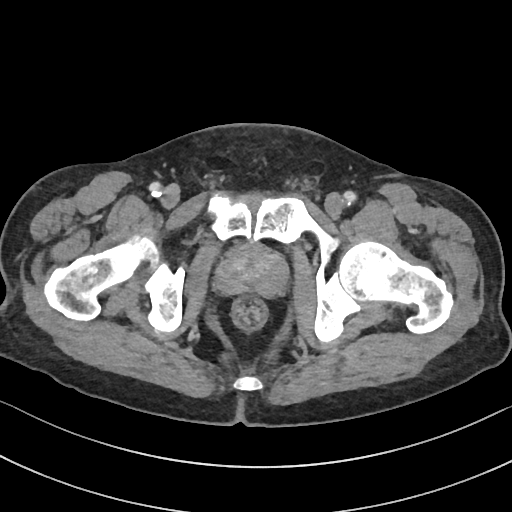
CT, abdomen/pelvis · axial view · abdomen soft-tissue window · 512x512 px
{"organs":{"prostate/uterus":[216,245,286,295]}}